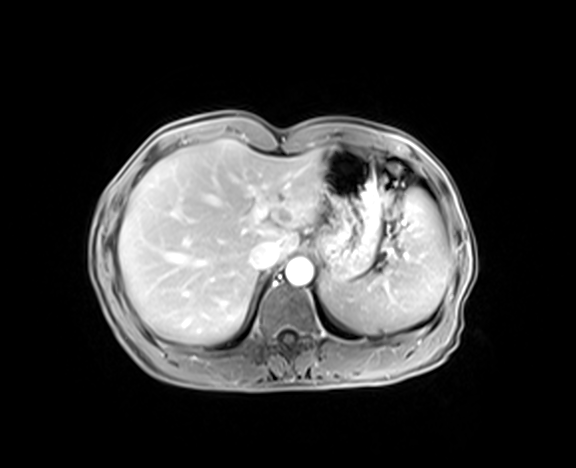
MRI, abdomen; axial view; percentile-normalized; acquired on Prisma
One row per box, in pixels: columns x1 and y1 give the top-left corner, x2 and y2 the bottom-right.
| organ | x1 | y1 | x2 | y2 |
|---|---|---|---|---|
| spleen | 322 | 189 | 450 | 333 |
| liver | 118 | 139 | 324 | 344 |
| stomach | 316 | 145 | 381 | 281 |
| aorta | 285 | 259 | 313 | 285 |
| inferior vena cava | 250 | 241 | 279 | 272 |